Computed tomography, abdomen. axial view. 32-year-old female patient. 15 organs annotated in this scan (that count is for the whole scan; organs this slice misses have no box)
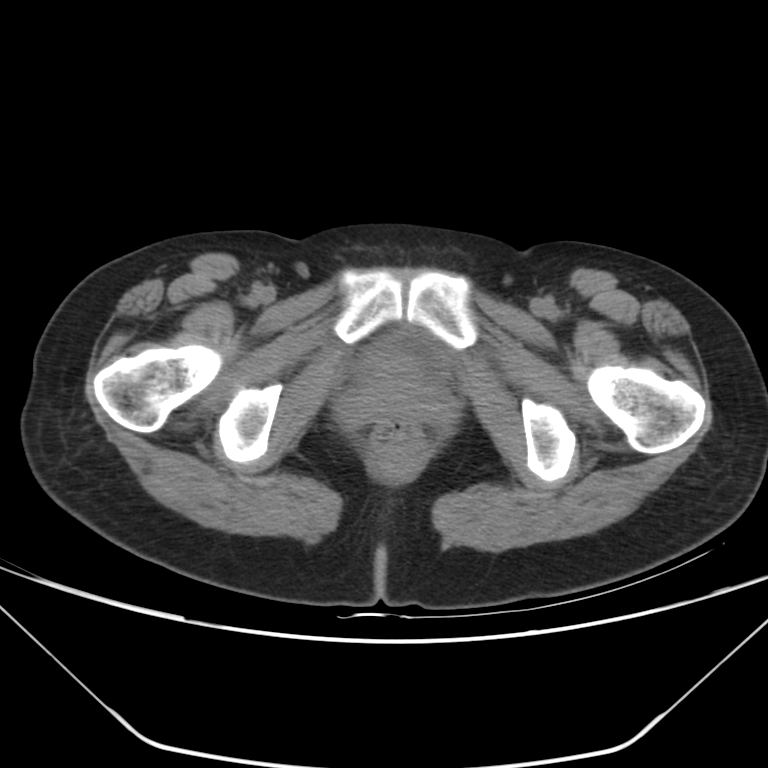 {"organs":{"bladder":[352,328,447,385]}}